Lower-chest slice from an abdominal CT, just above the liver and spleen. axial plane, index 210. soft-tissue window. 512x512 px
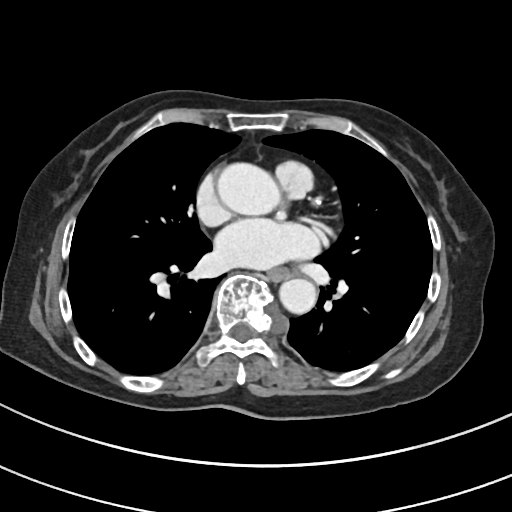 No part of the heart or lungs is labeled in this dataset, so neither has a box here. Coordinates as <box>x1,y1,x2,y2</box> in pixels. The annotated organs in this slice are: esophagus at <box>267,269,289,281</box>, aorta at <box>219,163,277,213</box>, aorta at <box>279,278,316,314</box>.